Computed tomography, abdomen; axial view; soft-tissue window (W 400 / L 40)
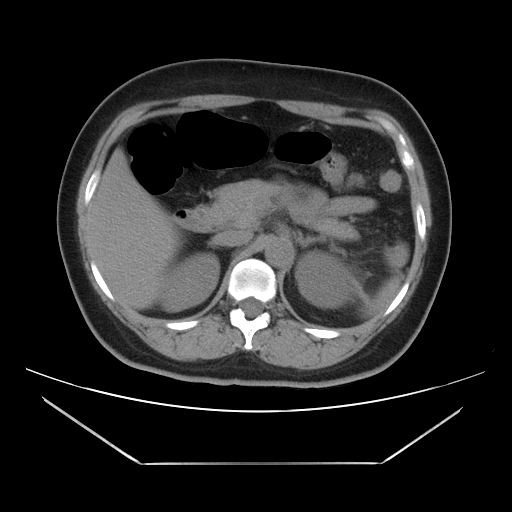
Boxes: x1:y1:x2:y2 in pixels.
Organ bounding boxes:
- spleen: 360:266:402:317
- right kidney: 159:253:219:311
- left kidney: 295:250:355:308
- liver: 87:148:181:309
- aorta: 264:236:292:267
- inferior vena cava: 213:229:252:246
- pancreas: 211:179:358:239
- right adrenal gland: 209:243:214:246
- left adrenal gland: 297:233:321:247
- duodenum: 174:206:219:232